Abdominal CT — axial plane, index 71 — soft-tissue window — 49-year-old male patient — 14 organs annotated in this scan (that count is for the whole scan; organs this slice misses have no box)
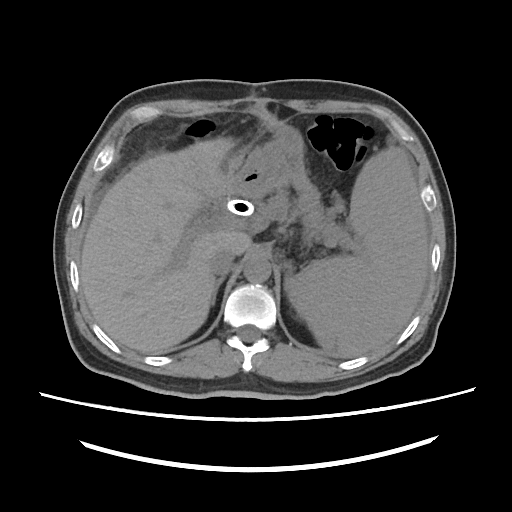

<organs><organ name="aorta" x1="243" y1="255" x2="271" y2="282"/><organ name="inferior vena cava" x1="209" y1="247" x2="235" y2="275"/><organ name="left adrenal gland" x1="285" y1="272" x2="290" y2="281"/><organ name="stomach" x1="229" y1="125" x2="318" y2="207"/><organ name="pancreas" x1="263" y1="194" x2="341" y2="237"/><organ name="spleen" x1="286" y1="147" x2="428" y2="352"/><organ name="right adrenal gland" x1="211" y1="277" x2="225" y2="304"/><organ name="liver" x1="80" y1="137" x2="251" y2="353"/></organs>